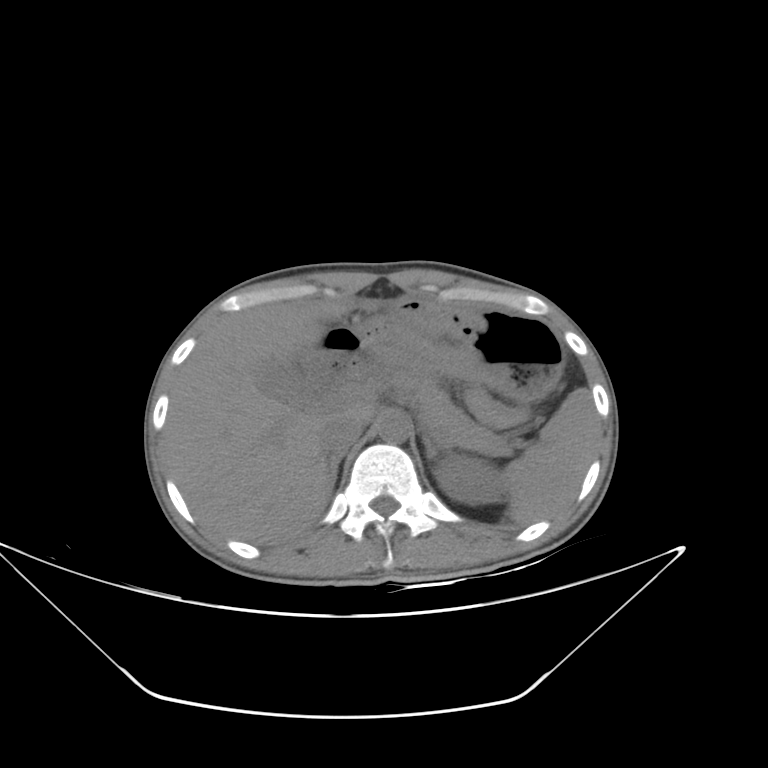 CT, abdomen/pelvis. axial view. W/L 400/40 HU
<organs><organ name="inferior vena cava" x1="320" y1="413" x2="363" y2="454"/><organ name="pancreas" x1="384" y1="363" x2="508" y2="454"/><organ name="stomach" x1="320" y1="298" x2="563" y2="396"/><organ name="spleen" x1="504" y1="387" x2="600" y2="525"/><organ name="duodenum" x1="303" y1="357" x2="350" y2="404"/><organ name="left kidney" x1="434" y1="455" x2="507" y2="504"/><organ name="aorta" x1="378" y1="413" x2="410" y2="443"/><organ name="liver" x1="163" y1="299" x2="374" y2="543"/><organ name="right adrenal gland" x1="329" y1="453" x2="344" y2="489"/><organ name="left adrenal gland" x1="422" y1="435" x2="450" y2="462"/><organ name="gall bladder" x1="260" y1="361" x2="302" y2="395"/></organs>